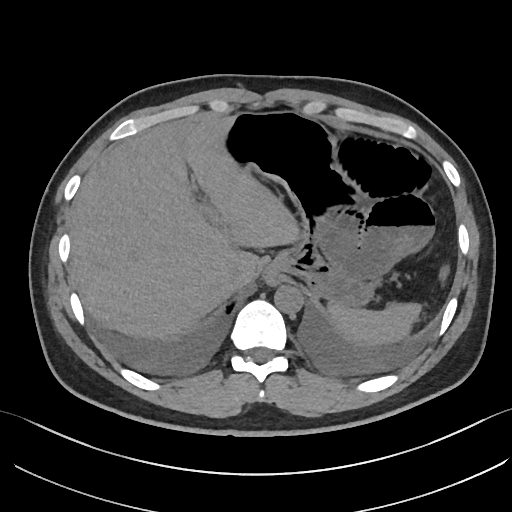 Computed tomography, abdomen · axial view · W/L 400/40 HU
{"organs":{"spleen":[327,265,449,344],"liver":[69,116,300,339],"stomach":[223,111,377,304],"aorta":[274,285,303,314],"inferior vena cava":[220,266,243,289]}}